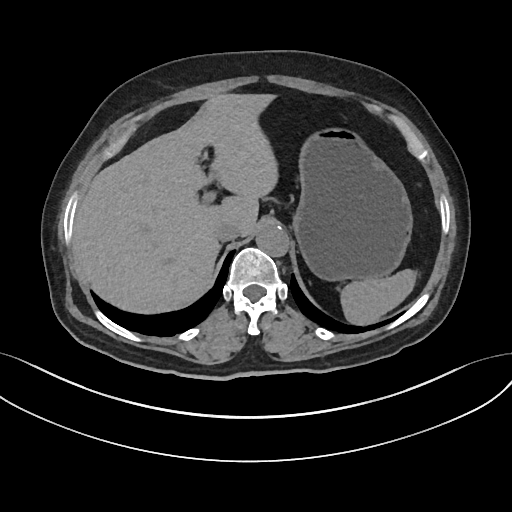

Abdominal CT; Axial slice 167/207; soft-tissue window; 512x512 px
{"organs":{"spleen":[342,269,415,325],"liver":[72,94,277,314],"stomach":[294,126,412,280],"aorta":[255,224,288,256],"inferior vena cava":[213,222,240,240]}}